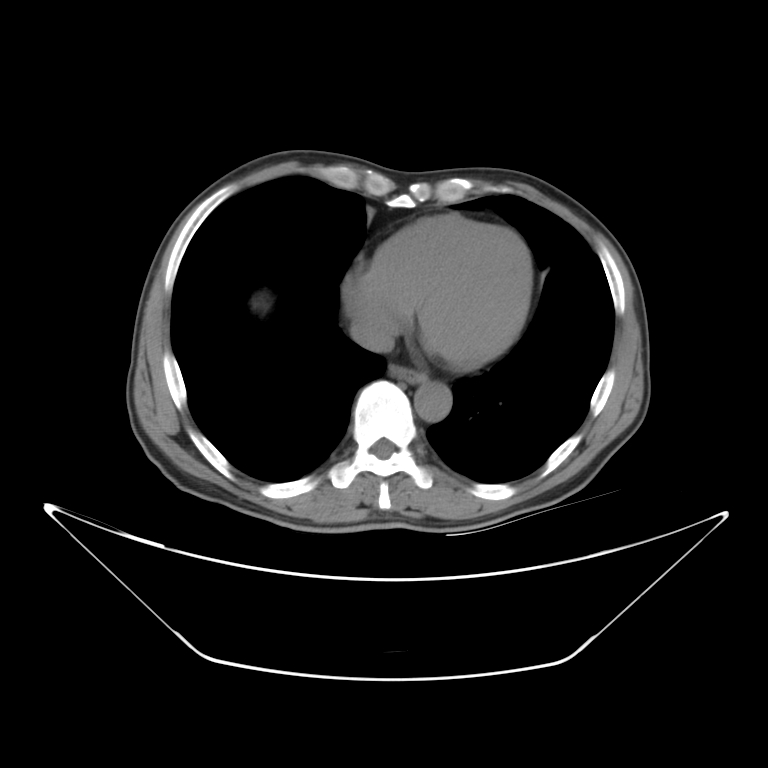
Lower-chest slice from an abdominal CT, just above the liver and spleen — axial plane, index 83 — 768x768 px — 59-year-old male patient — acquired on Brilliance16 — 15 organs annotated in this scan (a whole-scan count: organs this slice does not pass through have no box)
Of the structures in the chest, this dataset labels only the esophagus, the aorta and the inferior vena cava; the heart and lungs have no label.
<organs><organ name="esophagus" x1="390" y1="364" x2="429" y2="383"/><organ name="aorta" x1="413" y1="380" x2="450" y2="419"/><organ name="inferior vena cava" x1="349" y1="313" x2="395" y2="352"/></organs>